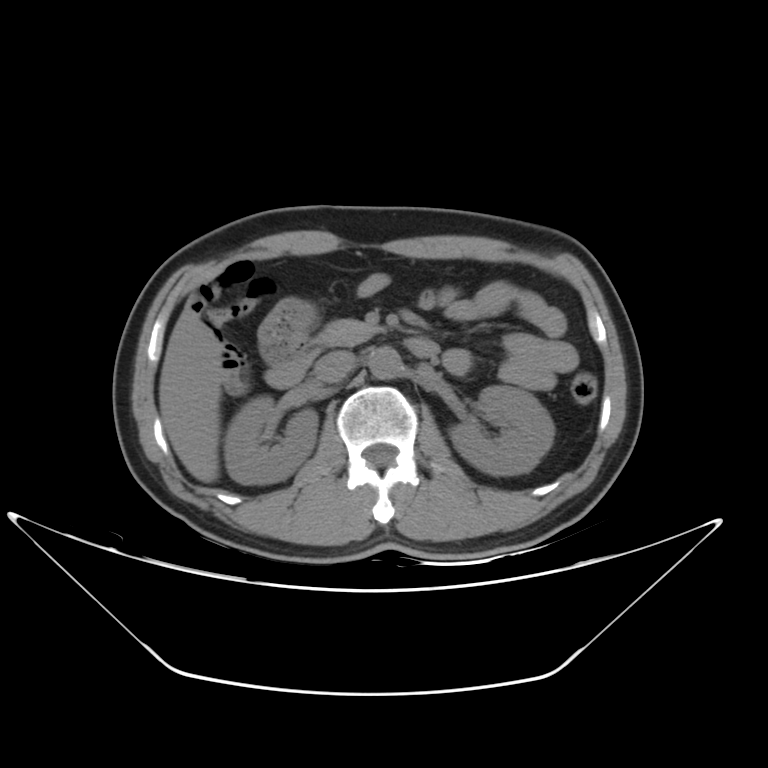

Abdominal CT — axial view — soft-tissue window (W 400 / L 40) — 768x768 px
Bounding boxes as [x1, y1, x2, y2] in pixel coordinates.
spleen: [515, 474, 519, 475]
right kidney: [225, 396, 318, 483]
left kidney: [452, 386, 554, 475]
liver: [159, 312, 222, 482]
aorta: [367, 347, 402, 379]
inferior vena cava: [313, 350, 356, 385]
pancreas: [318, 319, 385, 348]
duodenum: [264, 339, 440, 387]